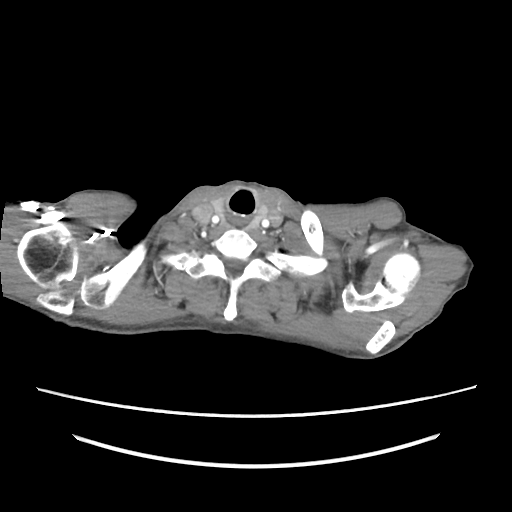
CT of the abdomen extending into the chest, slice through the chest · Axial slice 126/126 · 512x512 px · 62-year-old male patient
At this level of the chest this dataset labels only the esophagus and the aorta, and each is boxed only where it is labeled; the heart and lungs are never labeled.
One row per box, in pixels: columns x1 and y1 give the top-left corner, x2 and y2 the bottom-right.
| organ | x1 | y1 | x2 | y2 |
|---|---|---|---|---|
| esophagus | 229 | 223 | 247 | 230 |